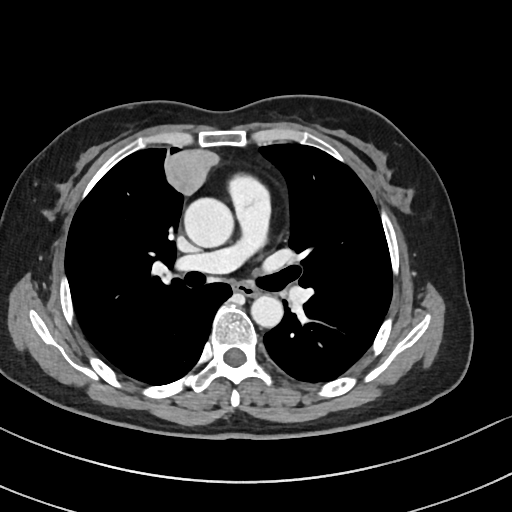
Chest-level slice from an abdominal CT that extends up into the chest; axial view; 512x512 px
On a slice this high in the chest, this dataset labels only the esophagus and the aorta, and each is boxed only where it is labeled; the heart, lungs and other chest structures are not labeled. Coordinates as <box>x1,y1,x2,y2</box> in pixels. 2 labeled organs on this slice — esophagus at <box>234,282,258,296</box>; aorta at <box>184,197,234,247</box>; aorta at <box>251,295,283,327</box>.